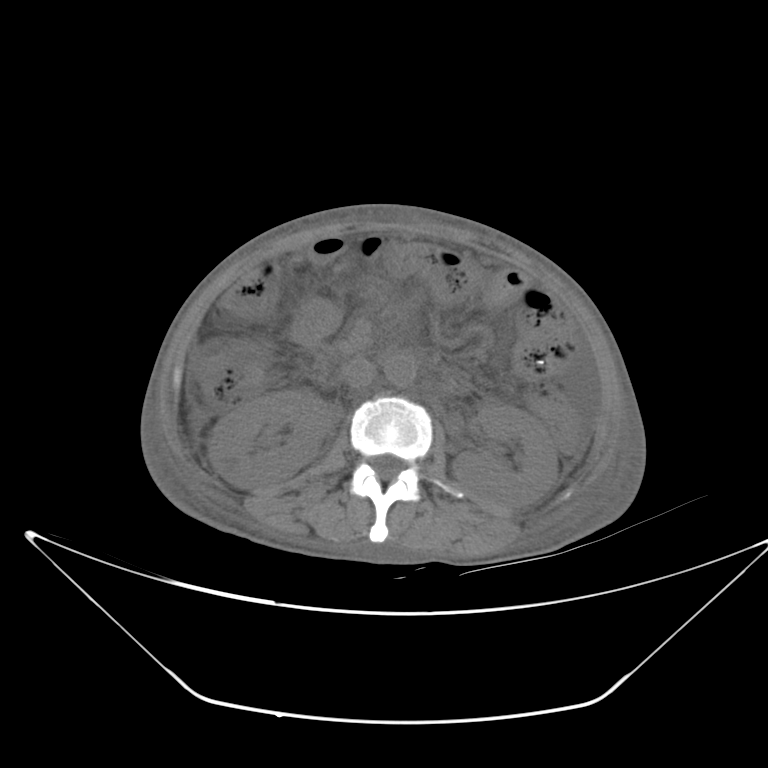 CT, abdomen/pelvis — axial view — 56-year-old female patient — 15 organs annotated in this scan (that count is for the whole scan; organs this slice misses have no box)
<organs><organ name="right kidney" x1="208" y1="390" x2="335" y2="488"/><organ name="left kidney" x1="451" y1="402" x2="557" y2="509"/><organ name="aorta" x1="384" y1="354" x2="416" y2="387"/><organ name="inferior vena cava" x1="343" y1="358" x2="376" y2="393"/><organ name="duodenum" x1="289" y1="301" x2="342" y2="342"/></organs>